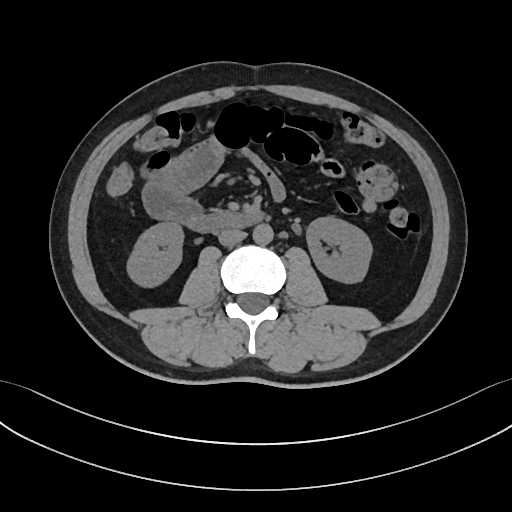 Abdominal CT. axial plane, index 132. W/L 400/40 HU. SOMATOM Force scanner
Coordinates as <box>x1,y1,x2,y2</box> in pixels.
right kidney: <box>126,222,184,287</box>
aorta: <box>252,224,273,244</box>
pancreas: <box>208,208,221,213</box>
inferior vena cava: <box>218,229,245,245</box>
duodenum: <box>183,210,266,233</box>
left kidney: <box>307,216,372,284</box>